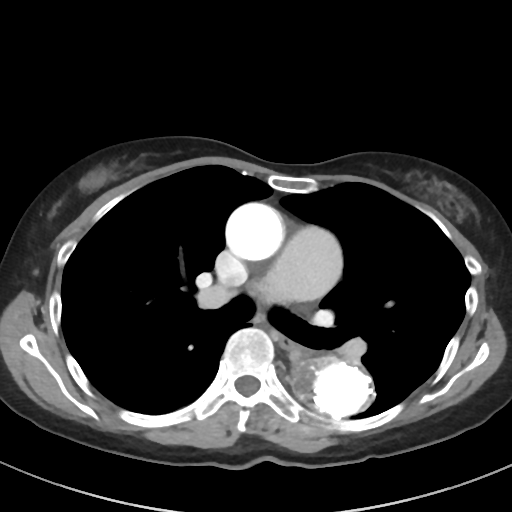
Chest-level CT slice, above the liver and spleen. Axial slice 94/116. soft-tissue window (W 400 / L 40)
At this level of the chest this dataset labels only the esophagus and the aorta, and each is boxed only where it is labeled; the heart and lungs are never labeled.
<organs><organ name="esophagus" x1="280" y1="336" x2="294" y2="349"/><organ name="aorta" x1="292" y1="351" x2="374" y2="419"/><organ name="aorta" x1="225" y1="202" x2="283" y2="260"/></organs>